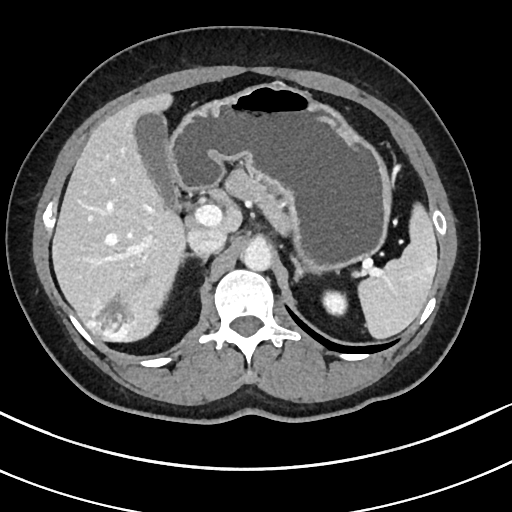
Computed tomography, abdomen. axial view
Boxes: x1:y1:x2:y2 in pixels.
Organ bounding boxes:
- spleen: 358:204:437:338
- left kidney: 323:291:345:313
- gall bladder: 136:114:177:209
- liver: 51:92:243:342
- stomach: 170:82:390:272
- aorta: 242:240:272:271
- inferior vena cava: 188:227:226:255
- pancreas: 226:169:289:233
- right adrenal gland: 184:253:209:264
- left adrenal gland: 292:255:319:284
- duodenum: 178:187:204:209